Abdominal CT — axial view — scan has 15 labeled organs (a whole-scan count: organs this slice does not pass through have no box)
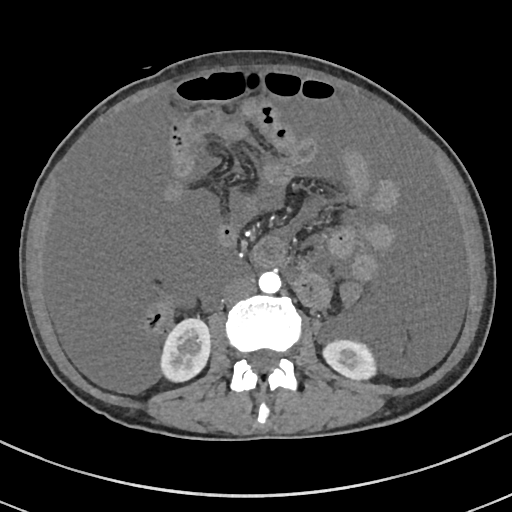

One row per box, in pixels: columns x1 and y1 give the top-left corner, x2 and y2 the bottom-right.
| organ | x1 | y1 | x2 | y2 |
|---|---|---|---|---|
| inferior vena cava | 223 | 277 | 254 | 303 |
| right kidney | 161 | 320 | 209 | 381 |
| aorta | 258 | 271 | 281 | 293 |
| left kidney | 322 | 340 | 376 | 379 |